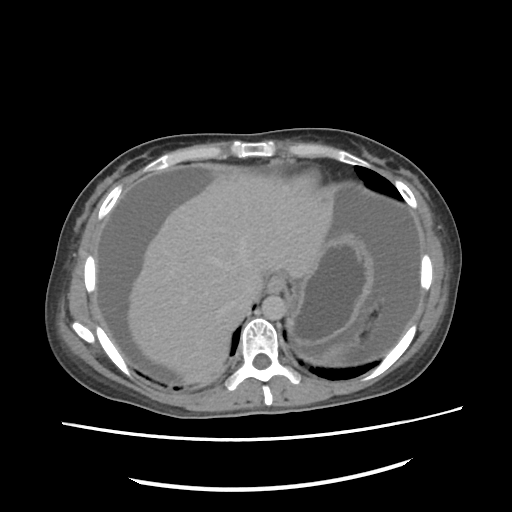 Computed tomography, abdomen; axial view; abdomen soft-tissue window
Organ boxes in pixel coordinates; each row gives the top-left (x1, y1) and bottom-right (x2, y2) corners.
| organ | x1 | y1 | x2 | y2 |
|---|---|---|---|---|
| inferior vena cava | 242 | 277 | 265 | 308 |
| aorta | 262 | 293 | 286 | 320 |
| esophagus | 267 | 275 | 284 | 293 |
| stomach | 289 | 234 | 373 | 344 |
| spleen | 318 | 340 | 351 | 362 |
| liver | 126 | 171 | 337 | 383 |